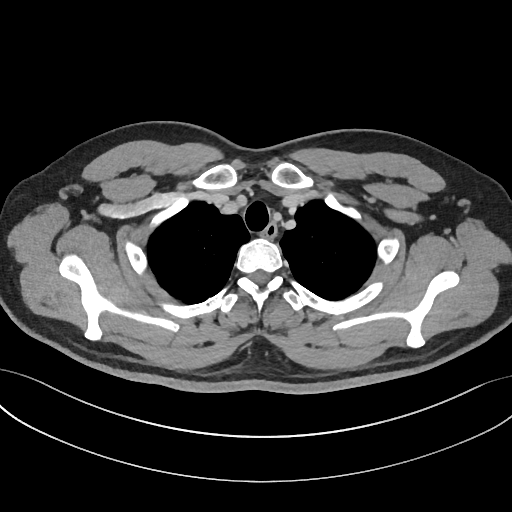
CT of the abdomen extending into the chest, slice through the chest — axial view — 512x512 px
At this level of the chest this dataset labels only the esophagus and the aorta, and each is boxed only where it is labeled; the heart and lungs are never labeled. Bounding boxes as [x1, y1, x2, y2] in pixel coordinates. Labeled organs on this slice: esophagus at [264, 224, 276, 238].